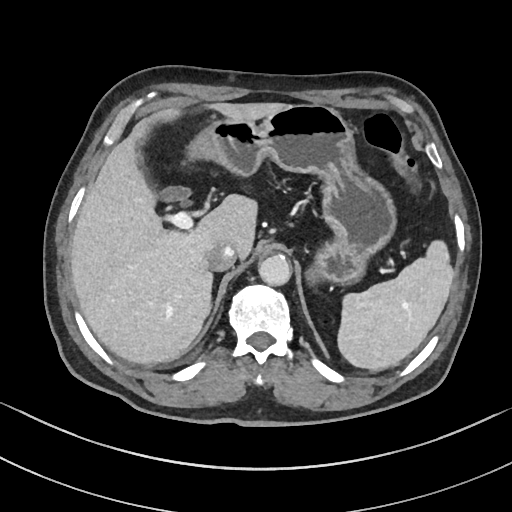 CT, abdomen/pelvis · axial plane, index 184
Boxes are (x1, y1, x2, y2) in pixels.
Organ bounding boxes:
- spleen: (337, 240, 453, 371)
- gall bladder: (157, 187, 190, 201)
- liver: (70, 102, 285, 363)
- stomach: (186, 104, 396, 285)
- aorta: (258, 254, 291, 285)
- inferior vena cava: (205, 241, 236, 271)